CT, abdomen/pelvis · Axial slice 189/225 · soft-tissue window · 512x512 px
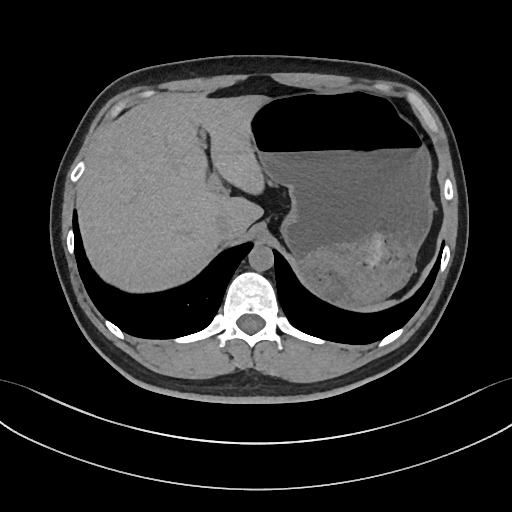
Boxes are (x1, y1, x2, y2) in pixels.
liver: (77, 93, 269, 292)
spleen: (356, 301, 394, 311)
stomach: (250, 90, 433, 307)
inferior vena cava: (213, 215, 237, 239)
aorta: (248, 245, 273, 271)